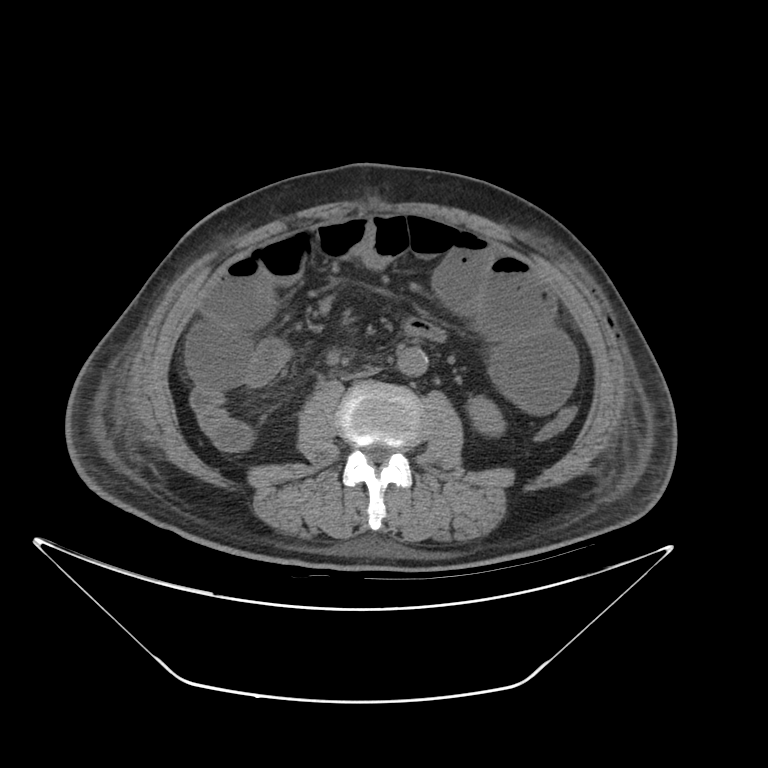
Computed tomography, abdomen; axial view; 66-year-old male patient
Box edges are left/top/right/bottom in pixels. 3 labeled organs on this slice — inferior vena cava at left=335, top=365, right=376, bottom=380; aorta at left=397, top=350, right=427, bottom=376; left kidney at left=467, top=397, right=507, bottom=436.